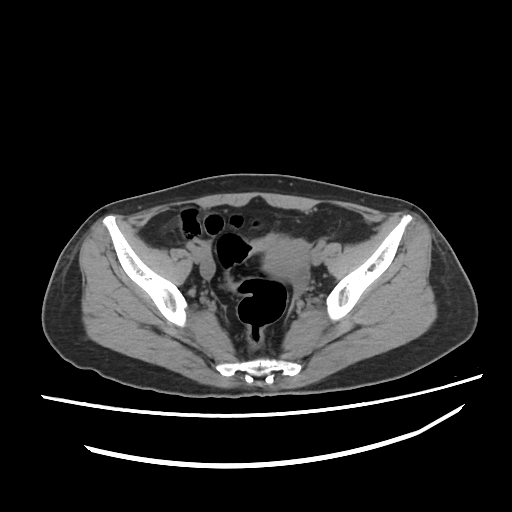
CT abdomen · Axial slice 27/93 · W/L 400/40 HU · 15 organs annotated in this scan (a whole-scan count: organs this slice does not pass through have no box)
Boxes: x1 y1 x2 y2 (pixel coords, space-separated). 1 labeled organ on this slice — prostate/uterus at 263 237 309 280.